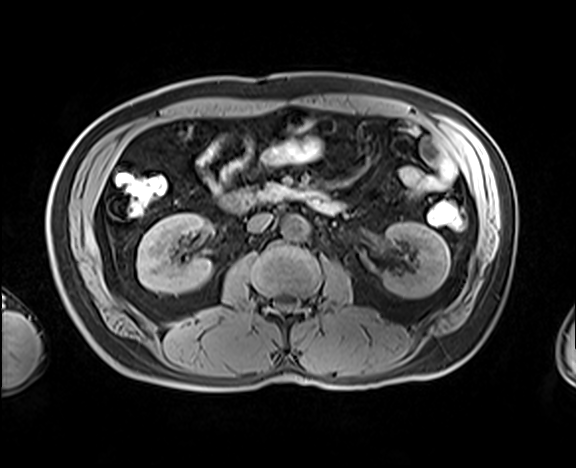
Abdominal MR. axial view. 576x468 px. Prisma scanner
Bounding boxes as [x1, y1, x2, y2] in pixel coordinates.
right kidney: [137, 213, 212, 294]
left kidney: [378, 221, 450, 298]
aorta: [281, 215, 309, 240]
inferior vena cava: [247, 213, 272, 232]
pancreas: [258, 182, 326, 200]
duodenum: [225, 191, 348, 213]